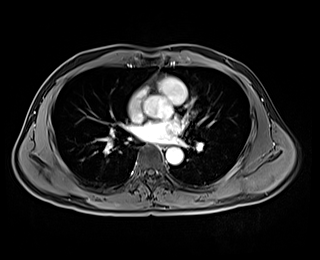 Abdominal MRI; this slice is in the lower chest, just above the liver. axial view. 1st–99th percentile window
No part of the heart or lungs is labeled in this dataset, so neither has a box here.
Each box given as x1,y1,x2,y2.
Organ bounding boxes:
- esophagus: x1=160, y1=144, x2=167, y2=149
- aorta: x1=166, y1=147, x2=183, y2=164